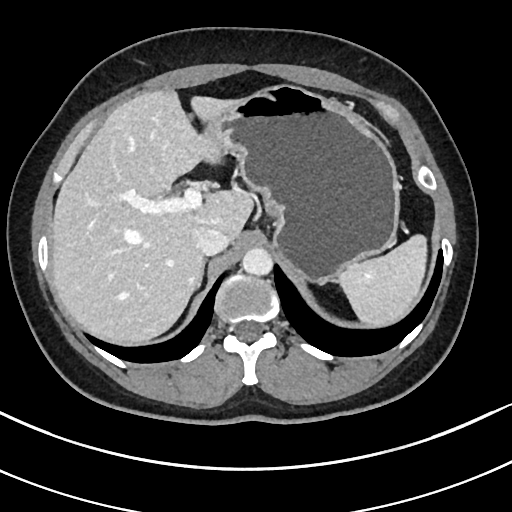 CT abdomen. axial view
Boxes are (x1, y1, x2, y2) in pixels.
spleen: (339, 235, 427, 326)
liver: (51, 90, 252, 344)
stomach: (206, 84, 400, 284)
aorta: (242, 247, 272, 275)
inferior vena cava: (192, 226, 228, 255)
right adrenal gland: (195, 258, 207, 291)